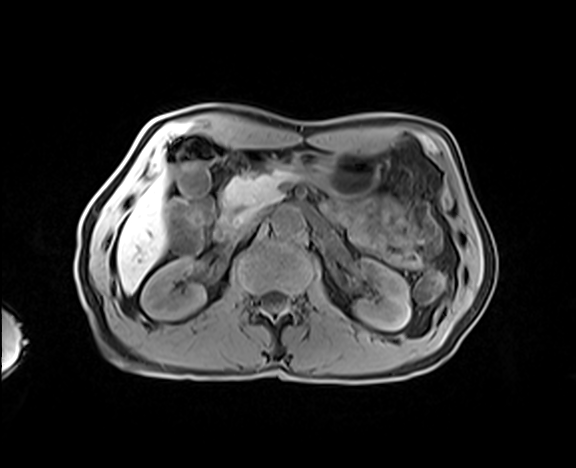

Magnetic resonance imaging, abdomen. axial view. 1st–99th percentile window. Prisma scanner
Boxes: x1:y1:x2:y2 in pixels. The annotated organs in this slice are: right kidney at 141:257:206:319, left kidney at 354:259:410:329, liver at 116:175:166:293, stomach at 270:151:378:197, aorta at 272:207:304:236, inferior vena cava at 229:213:261:240, pancreas at 220:168:298:219, duodenum at 214:215:230:242.